CT, abdomen/pelvis; axial view; 58-year-old male patient; Aquilion ONE scanner
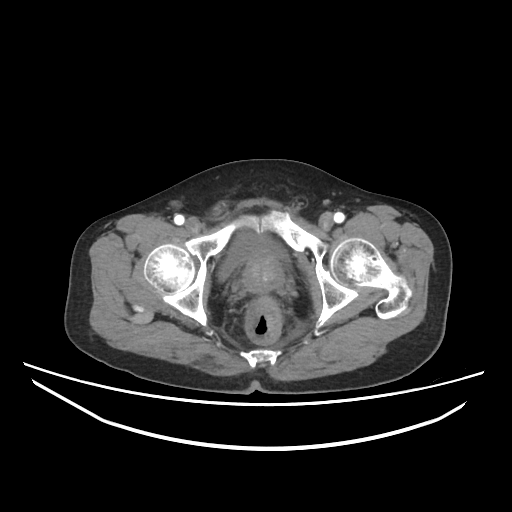
{"organs":{"bladder":[219,233,286,278],"prostate/uterus":[242,254,283,292]}}